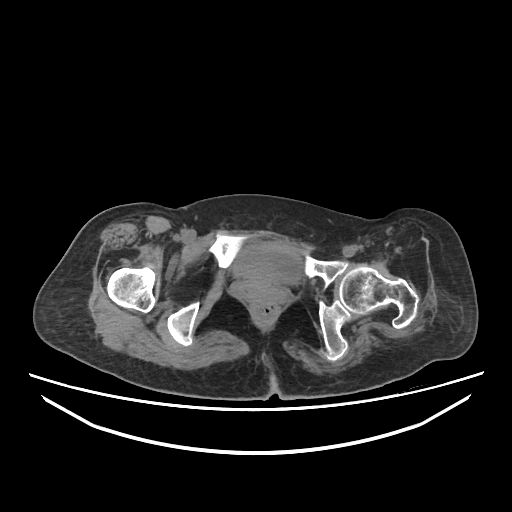 CT, abdomen/pelvis; axial view; abdomen soft-tissue window
Each box given as x1,y1,x2,y2.
Organ bounding boxes:
- bladder: x1=234, y1=244, x2=301, y2=283